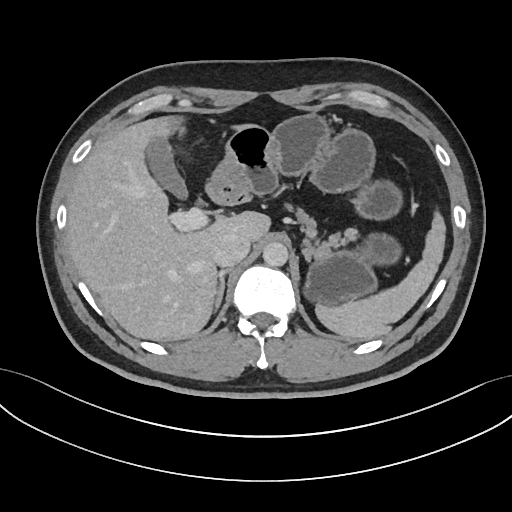
Computed tomography, abdomen — axial view
Each box given as x1,y1,x2,y2. The annotated organs in this slice are: right adrenal gland at x1=215, y1=269, x2=230, y2=309, spleen at x1=314, y1=211, x2=445, y2=339, inferior vena cava at x1=212, y1=234, x2=249, y2=266, pancreas at x1=295, y1=209, x2=356, y2=258, gall bladder at x1=147, y1=143, x2=186, y2=196, stomach at x1=205, y1=113, x2=401, y2=305, liver at x1=67, y1=115, x2=272, y2=341, aorta at x1=262, y1=242, x2=288, y2=267.